CT, abdomen/pelvis; axial plane, index 52; 512x512 px
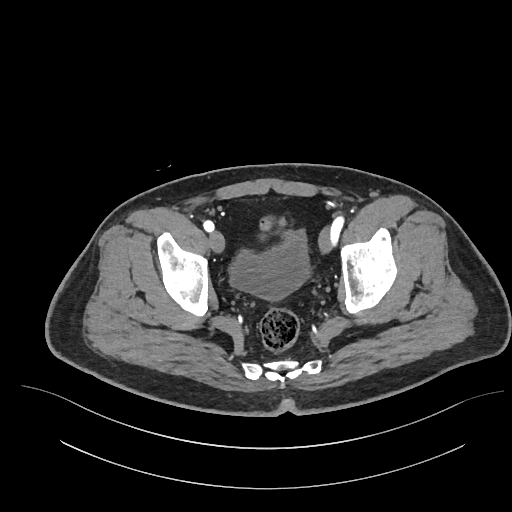
<organs><organ name="bladder" x1="230" y1="229" x2="309" y2="300"/></organs>